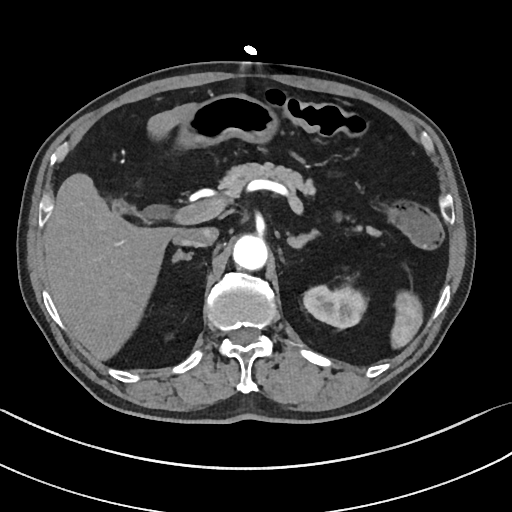

CT abdomen · axial view · soft-tissue window · 512x512 px
Bounding boxes as [x1, y1, x2, y2] in pixel coordinates.
spleen: [393, 291, 422, 345]
left kidney: [304, 286, 367, 327]
gall bladder: [108, 196, 127, 215]
liver: [44, 102, 203, 361]
stomach: [178, 94, 278, 145]
aorta: [233, 236, 268, 271]
inferior vena cava: [174, 228, 217, 247]
pancreas: [223, 163, 381, 238]
right adrenal gland: [173, 250, 194, 264]
left adrenal gland: [287, 229, 318, 250]